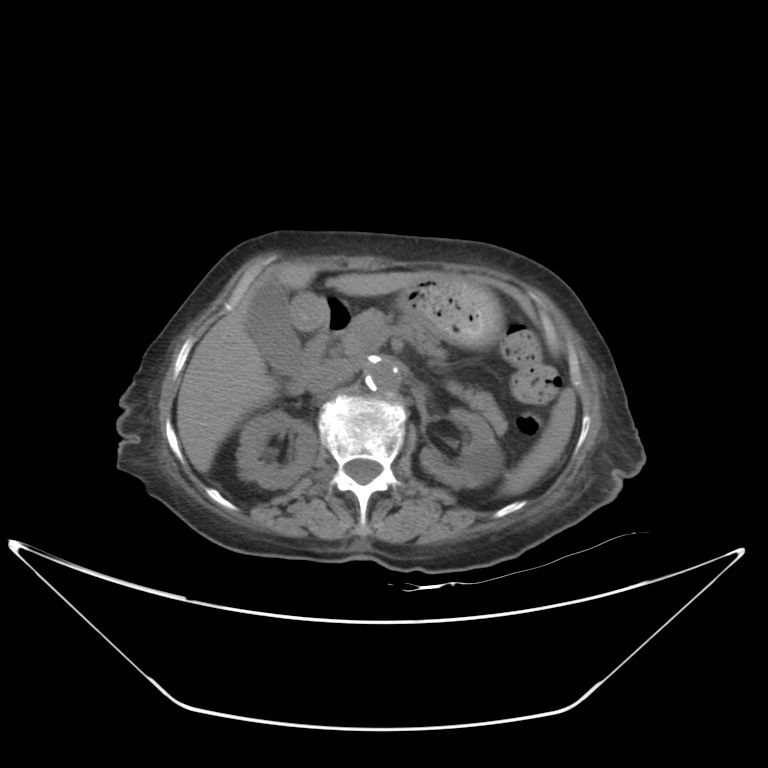
CT, abdomen/pelvis · Axial slice 57/79 · soft-tissue window (W 400 / L 40) · scan has 15 labeled organs (that count is for the whole scan; organs this slice misses have no box)
Bounding boxes as [x1, y1, x2, y2] in pixel coordinates.
Organ bounding boxes:
- liver: [177, 261, 440, 473]
- gall bladder: [246, 278, 302, 373]
- duodenum: [286, 303, 350, 394]
- pancreas: [333, 308, 507, 434]
- left kidney: [420, 409, 503, 487]
- aorta: [365, 359, 401, 393]
- spleen: [500, 388, 575, 495]
- stomach: [291, 275, 503, 348]
- right kidney: [236, 410, 317, 488]
- inferior vena cava: [308, 361, 354, 393]